Abdominal CT; axial view; soft-tissue window; 512x512 px; 15 organs annotated in this scan (that count is for the whole scan; organs this slice misses have no box)
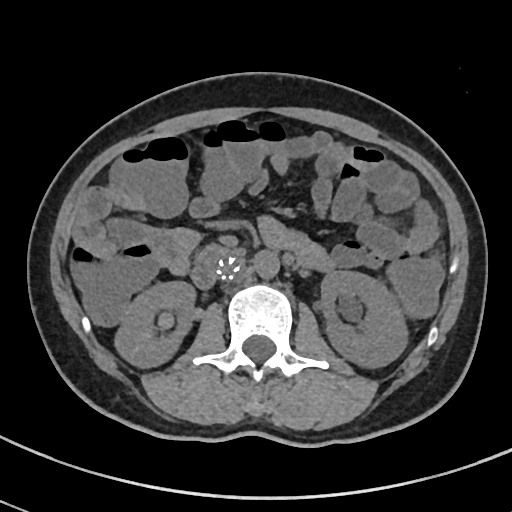
Bounding boxes as [x1, y1, x2, y2] in pixel coordinates.
duodenum: [189, 248, 225, 289]
inferior vena cava: [217, 258, 240, 281]
right kidney: [113, 280, 196, 368]
left kidney: [320, 270, 409, 369]
aorta: [255, 251, 279, 278]